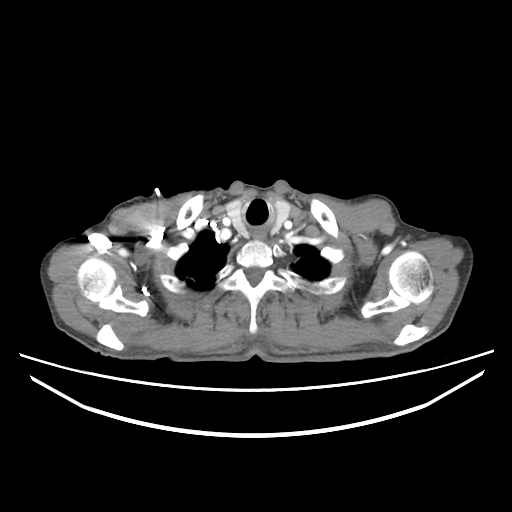
Abdominal CT reaching into the chest; this slice is in the chest; Axial slice 115/118; W/L 400/40 HU
On a slice this high in the chest, this dataset labels only the esophagus and the aorta, and each is boxed only where it is labeled; the heart, lungs and other chest structures are not labeled. Boxes: x1:y1:x2:y2 in pixels. The annotated organs in this slice are: esophagus at 252:229:267:241.